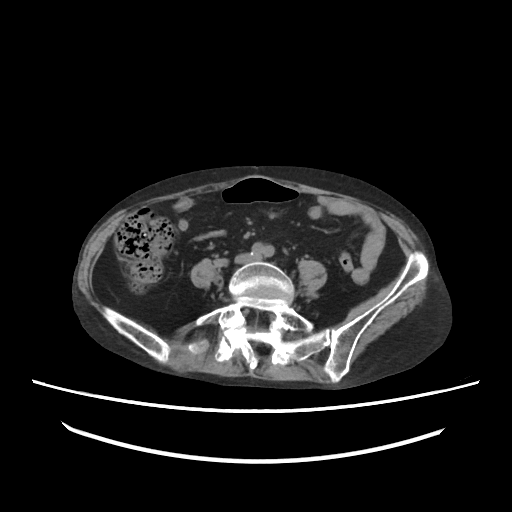 Abdominal CT · axial plane, index 38
Box edges are left/top/right/bottom in pixels.
inferior vena cava: left=237, top=254, right=253, bottom=261